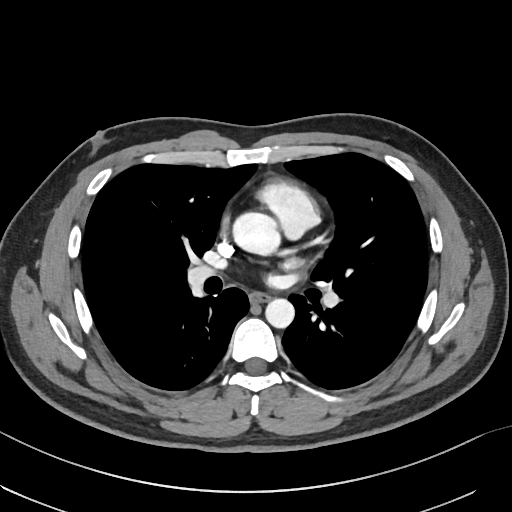

Chest-level CT slice, above the liver and spleen. axial view. W/L 400/40 HU. 512x512 px
At this level of the chest no structure but the esophagus and the aorta has a label in this dataset, and those two are boxed only where they are labeled.
<organs><organ name="aorta" x1="231" y1="211" x2="277" y2="255"/><organ name="aorta" x1="265" y1="298" x2="294" y2="328"/><organ name="esophagus" x1="250" y1="292" x2="270" y2="302"/></organs>